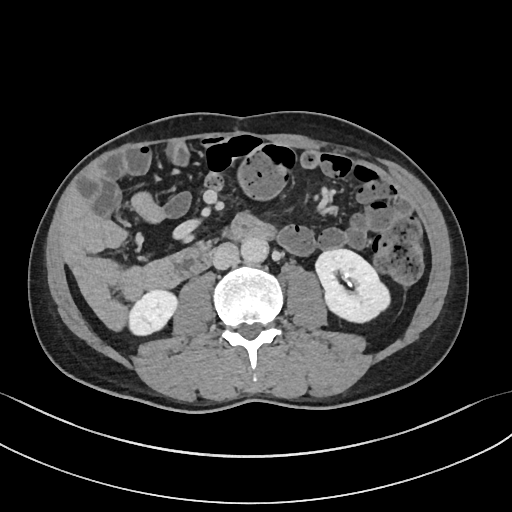 CT abdomen. Axial slice 136/230
<organs><organ name="right kidney" x1="128" y1="289" x2="178" y2="336"/><organ name="left kidney" x1="314" y1="249" x2="391" y2="323"/><organ name="aorta" x1="241" y1="237" x2="268" y2="265"/><organ name="inferior vena cava" x1="212" y1="243" x2="238" y2="270"/></organs>